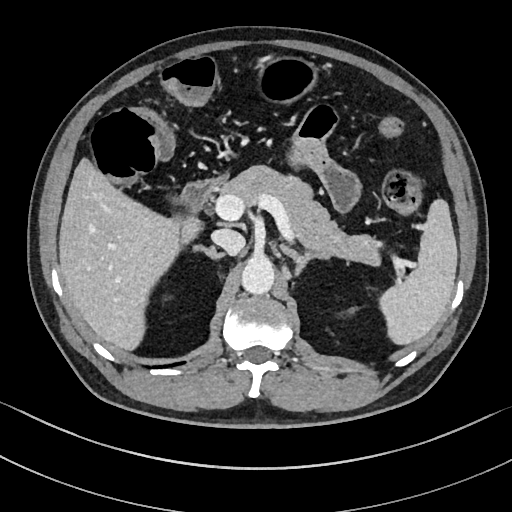 Computed tomography, abdomen. axial plane, index 163. soft-tissue window (W 400 / L 40)
Boxes: x1 y1 x2 y2 (pixel coords, space-separated).
Organ bounding boxes:
- spleen: 379 199 457 344
- liver: 59 158 201 350
- stomach: 257 56 317 104
- aorta: 241 256 274 294
- inferior vena cava: 211 229 245 255
- pancreas: 218 166 380 265
- right adrenal gland: 196 246 223 258
- left adrenal gland: 281 244 328 275
- duodenum: 178 178 222 213